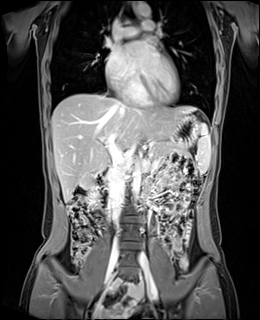
Abdominal MR — coronal view — 1st–99th percentile window — 13 organs annotated in this scan (that count is for the whole scan; organs this slice misses have no box)
Coordinates as <box>x1,y1,x2,y2</box> in pixels.
Organ bounding boxes:
- aorta: <box>132,167,140,201</box>
- aorta: <box>136,3,151,16</box>
- duodenum: <box>96,169,109,210</box>
- esophagus: <box>132,2,138,11</box>
- spleen: <box>197,123,210,173</box>
- right kidney: <box>88,186,99,205</box>
- inferior vena cava: <box>108,164,128,226</box>
- gall bladder: <box>80,176,93,189</box>
- liver: <box>52,93,197,202</box>
- stomach: <box>175,114,200,145</box>
- pancreas: <box>152,141,190,156</box>